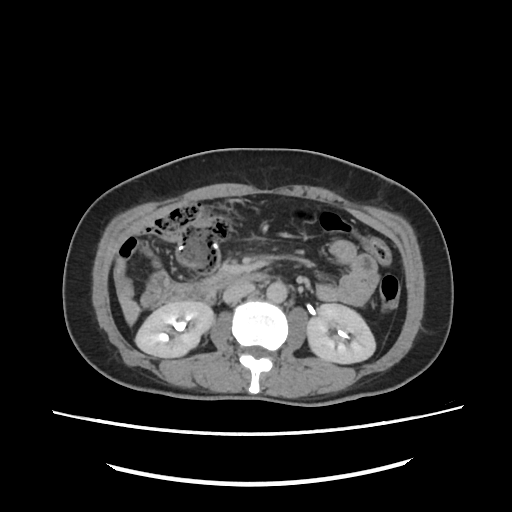
Computed tomography, abdomen — axial view — W/L 400/40 HU — 50-year-old female patient
Each box given as x1,y1,x2,y2.
right kidney: x1=136, y1=303, x2=213, y2=358
left kidney: x1=306, y1=305, x2=374, y2=364
liver: x1=117, y1=286, x2=140, y2=325
aorta: x1=266, y1=282, x2=286, y2=302
inferior vena cava: x1=224, y1=282, x2=254, y2=302
duodenum: x1=161, y1=270, x2=268, y2=304